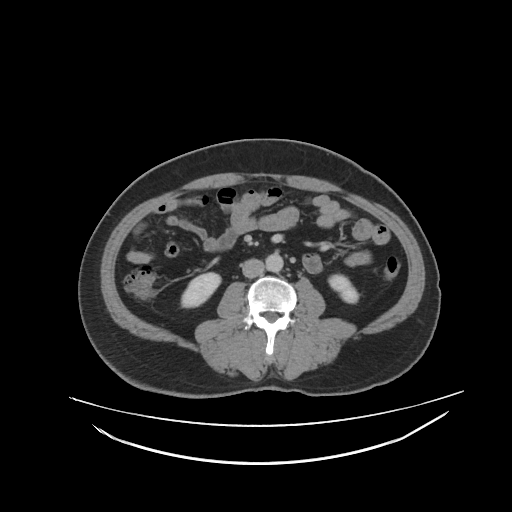
CT abdomen — axial plane, index 54 — soft-tissue window (W 400 / L 40) — 45-year-old male patient — Aquilion ONE scanner
<organs><organ name="right kidney" x1="182" y1="272" x2="220" y2="308"/><organ name="left kidney" x1="328" y1="275" x2="359" y2="303"/><organ name="aorta" x1="266" y1="252" x2="281" y2="271"/><organ name="inferior vena cava" x1="243" y1="258" x2="263" y2="277"/></organs>